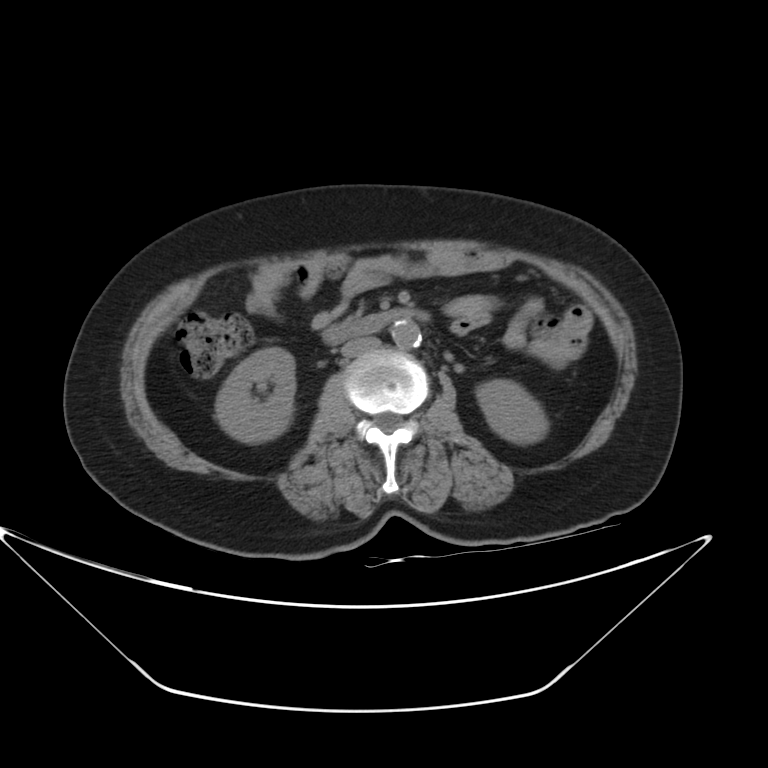

CT abdomen; axial view; soft-tissue window; 768x768 px
Coordinates as <box>x1,y1,x2,y2</box> in pixels.
Organ bounding boxes:
- right kidney: <box>216,348,294,442</box>
- left kidney: <box>476,380,547,444</box>
- aorta: <box>391,319,421,348</box>
- inferior vena cava: <box>341,337,380,357</box>
- duodenum: <box>322,310,414,344</box>